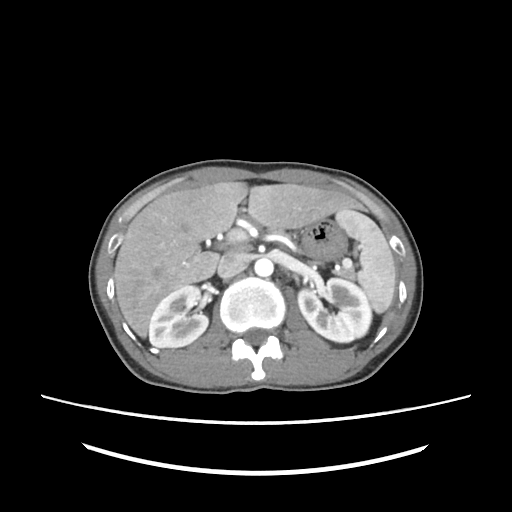 CT, abdomen/pelvis — axial view — soft-tissue window
Boxes: x1:y1:x2:y2 in pixels.
Organ bounding boxes:
- spleen: 336:209:395:313
- right kidney: 149:285:208:347
- left kidney: 298:278:371:342
- liver: 114:181:372:337
- stomach: 302:218:346:259
- aorta: 254:258:273:276
- inferior vena cava: 217:252:248:278